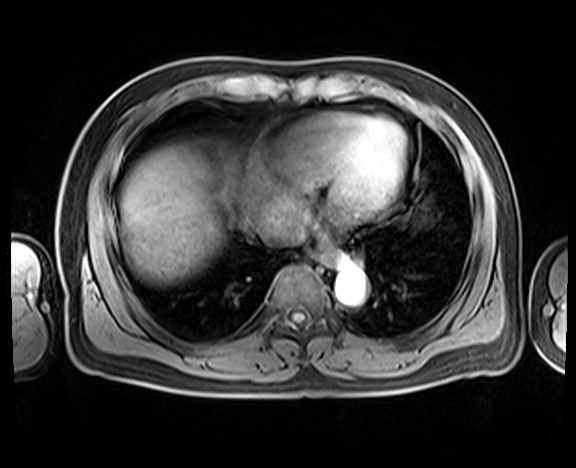 MRI, abdomen. axial view. percentile-normalized. 576x468 px. 13 organs annotated in this scan (a whole-scan count: organs this slice does not pass through have no box)
Boxes are (x1, y1, x2, y2) in pixels. The annotated organs in this slice are: esophagus at (313, 250, 345, 268), liver at (121, 145, 235, 282), aorta at (335, 268, 365, 303), inferior vena cava at (259, 216, 304, 246).